CT abdomen. axial plane, index 327. 512x512 px. 15 organs annotated in this scan (counted over the whole 3D scan, not this slice; an organ is boxed only where this slice passes through it)
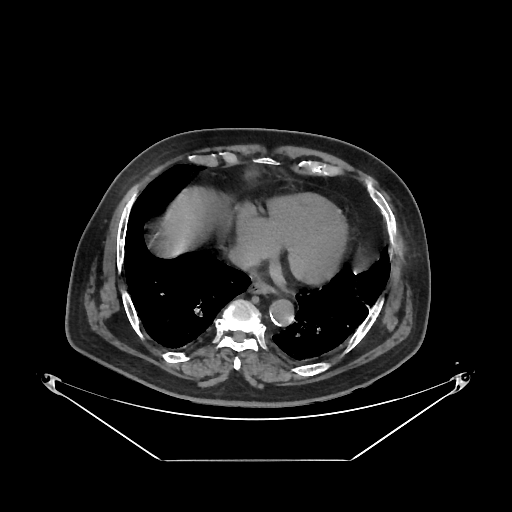
{"organs":{"esophagus":[249,282,273,293],"liver":[163,185,217,254],"aorta":[269,298,293,325],"inferior vena cava":[228,248,258,270]}}